CT, abdomen/pelvis; axial plane, index 38
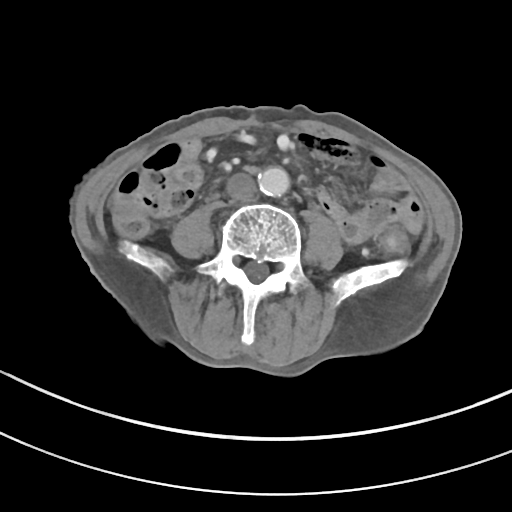
{"organs":{"aorta":[258,167,289,196],"inferior vena cava":[226,172,256,201]}}